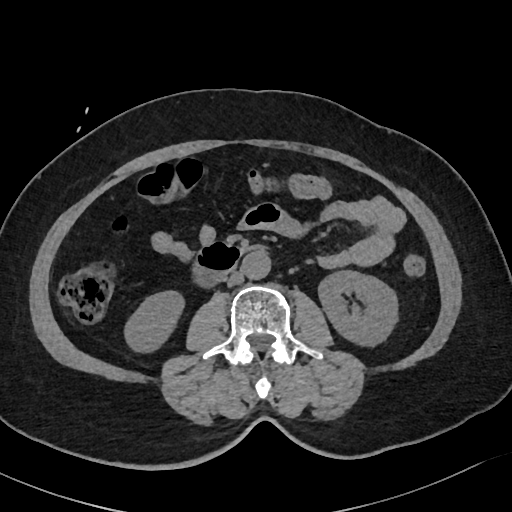
CT abdomen. axial view. SOMATOM Force scanner
{"organs":{"right kidney":[125,291,184,352],"left kidney":[318,271,397,346],"aorta":[242,251,270,279],"inferior vena cava":[227,271,243,286],"duodenum":[192,242,263,287]}}